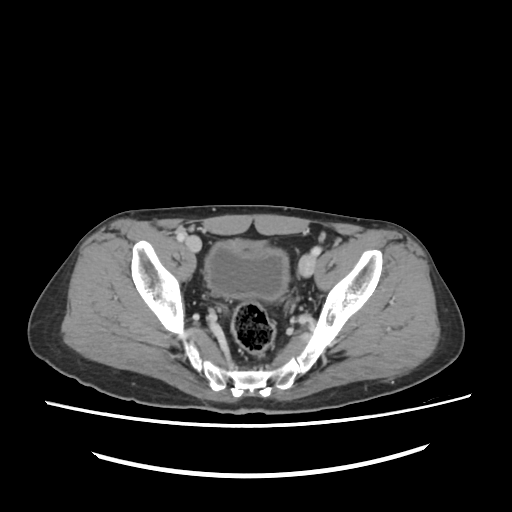

CT abdomen · axial view · soft-tissue window · 512x512 px · Aquilion ONE scanner
Bounding boxes as [x1, y1, x2, y2] in pixel coordinates.
bladder: [205, 241, 287, 300]